Computed tomography, abdomen. Axial slice 101/115. soft-tissue window
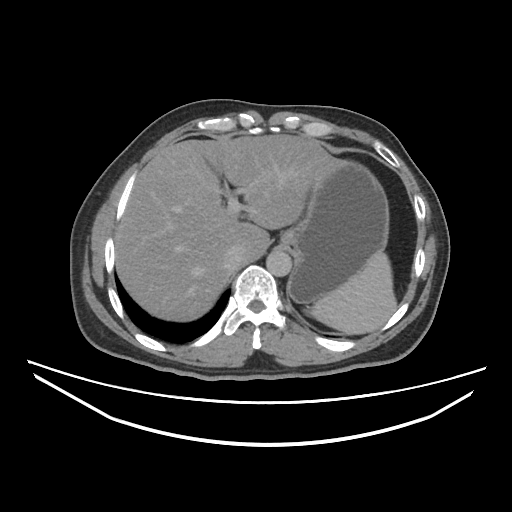
Boxes are (x1, y1, x2, y2) in pixels.
Organ bounding boxes:
- spleen: (306, 253, 397, 333)
- liver: (115, 134, 332, 320)
- stomach: (281, 158, 389, 304)
- aorta: (267, 252, 292, 277)
- inferior vena cava: (223, 247, 242, 267)